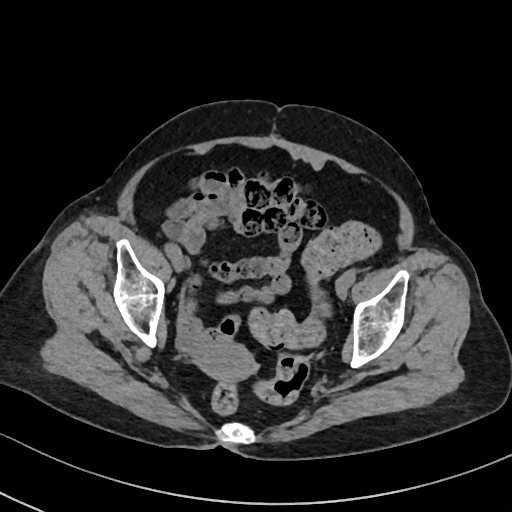
CT, abdomen/pelvis — axial plane, index 53 — soft-tissue window (W 400 / L 40)
Box edges are left/top/right/bottom in pixels.
Organ bounding boxes:
- prostate/uterus: left=197, top=340, right=256, bottom=382